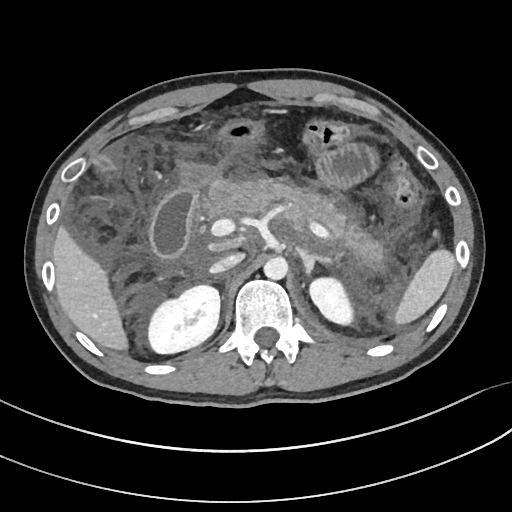

CT, abdomen/pelvis; axial plane, index 170; abdomen soft-tissue window; SOMATOM Force scanner
Boxes are (x1, y1, x2, y2) in pixels.
Organ bounding boxes:
- spleen: (393, 250, 454, 325)
- right kidney: (147, 283, 219, 353)
- left kidney: (308, 276, 354, 325)
- gall bladder: (99, 156, 112, 167)
- liver: (53, 226, 129, 350)
- stomach: (177, 122, 263, 187)
- aorta: (263, 257, 287, 279)
- inferior vena cava: (209, 253, 243, 273)
- pancreas: (201, 181, 380, 263)
- left adrenal gland: (298, 247, 333, 271)
- duodenum: (149, 191, 195, 258)